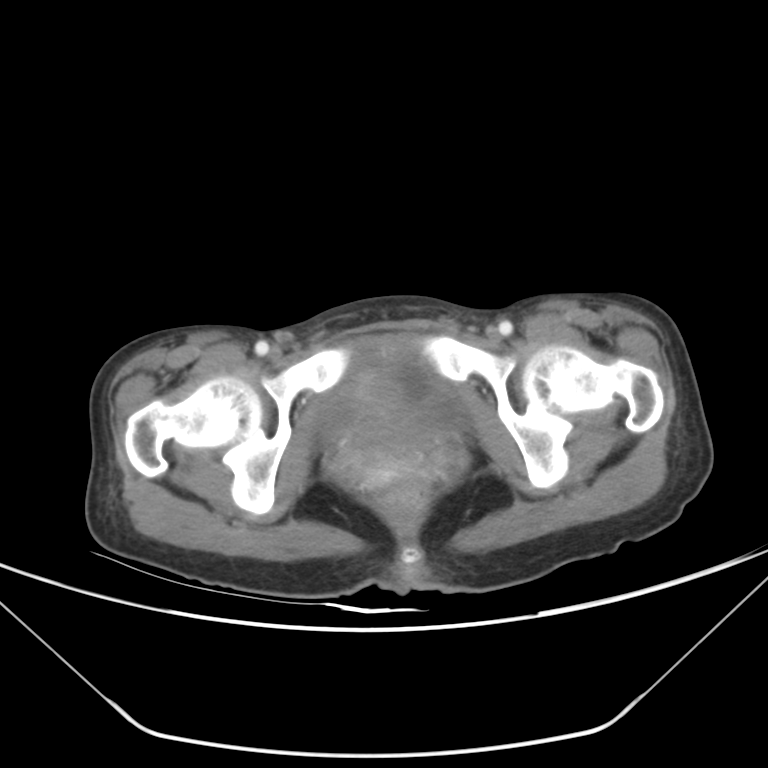 CT, abdomen/pelvis. Axial slice 14/89. 32-year-old female patient
Boxes: x1:y1:x2:y2 in pixels.
Organ bounding boxes:
- bladder: 317:358:470:441
- prostate/uterus: 330:368:453:487